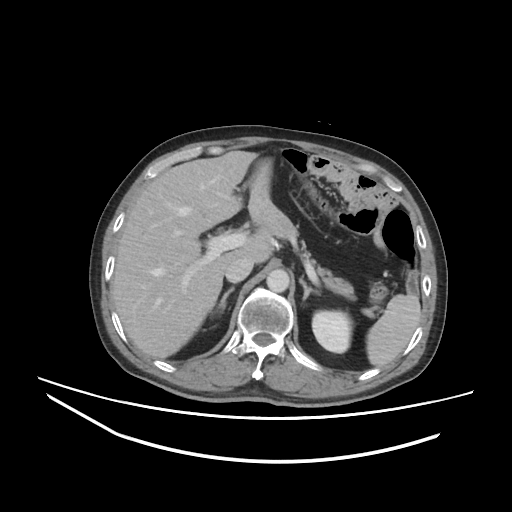 CT, abdomen/pelvis; axial view; abdomen soft-tissue window; 512x512 px
Boxes: x1:y1:x2:y2 in pixels.
spleen: 366:294:421:366
left kidney: 312:310:352:353
liver: 111:150:273:357
aorta: 266:269:289:292
inferior vena cava: 225:256:253:282
pancreas: 264:206:355:299
right adrenal gland: 217:286:234:312
left adrenal gland: 299:276:320:300